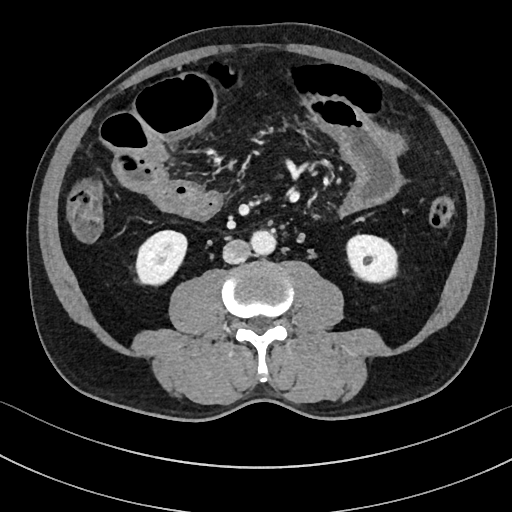
Computed tomography, abdomen; Axial slice 116/232; soft-tissue window (W 400 / L 40)
<organs><organ name="right kidney" x1="136" y1="230" x2="187" y2="283"/><organ name="left kidney" x1="346" y1="234" x2="399" y2="283"/><organ name="aorta" x1="251" y1="230" x2="276" y2="255"/><organ name="inferior vena cava" x1="222" y1="239" x2="250" y2="264"/></organs>